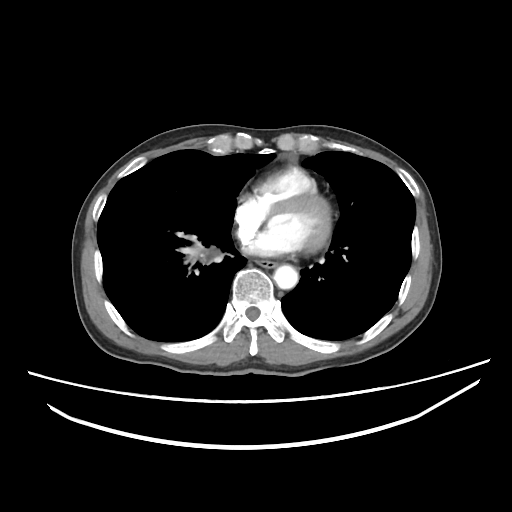

CT of the abdomen reaching into the lower chest, slice just above the liver and spleen — axial plane, index 61 — acquired on Aquilion ONE
No part of the heart or lungs is labeled in this dataset, so neither has a box here.
Bounding boxes as [x1, y1, x2, y2] in pixel coordinates.
esophagus: [257, 260, 277, 267]
aorta: [273, 265, 298, 289]